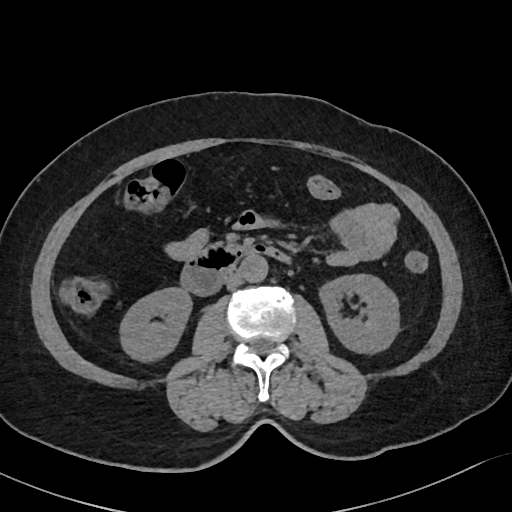

CT, abdomen/pelvis; axial view; abdomen soft-tissue window
Coordinates as <box>x1,y1,x2,y2</box> in pixels.
right kidney: <box>120,287,191,361</box>
left kidney: <box>320,274,399,353</box>
aorta: <box>240,256,268,282</box>
inferior vena cava: <box>224,272,243,289</box>
duodenum: <box>180,244,290,295</box>